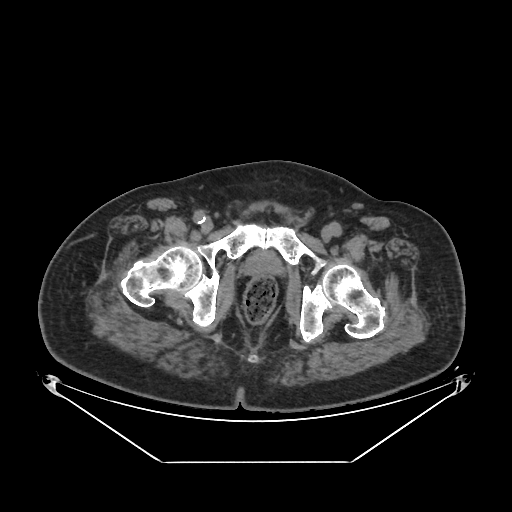
CT, abdomen/pelvis; axial plane, index 28; W/L 400/40 HU
<organs><organ name="prostate/uterus" x1="245" y1="250" x2="282" y2="274"/></organs>